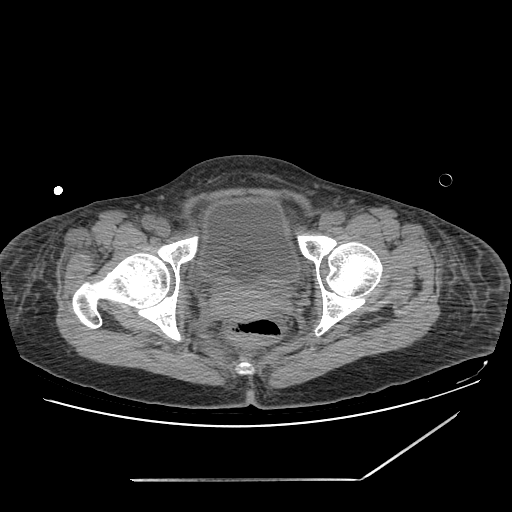
Computed tomography, abdomen; axial view; W/L 400/40 HU; 512x512 px; acquired on SOMATOM Force
Boxes are (x1, y1, x2, y2) in pixels.
Organ bounding boxes:
- bladder: (198, 199, 299, 286)
- prostate/uterus: (214, 287, 277, 318)